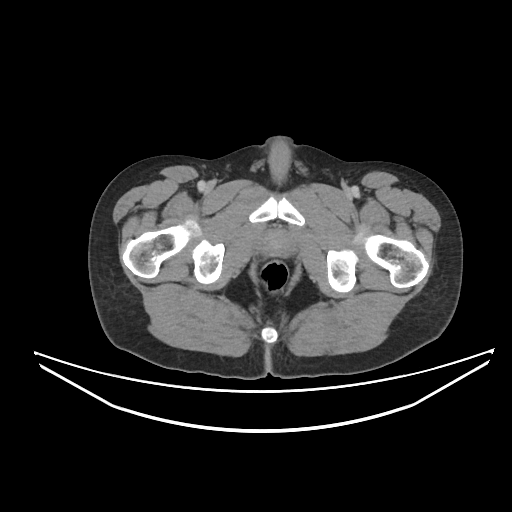
Abdominal CT. axial view. soft-tissue window. 40-year-old male patient
Each box given as x1,y1,x2,y2.
prostate/uterus: x1=261, y1=231, x2=293, y2=256